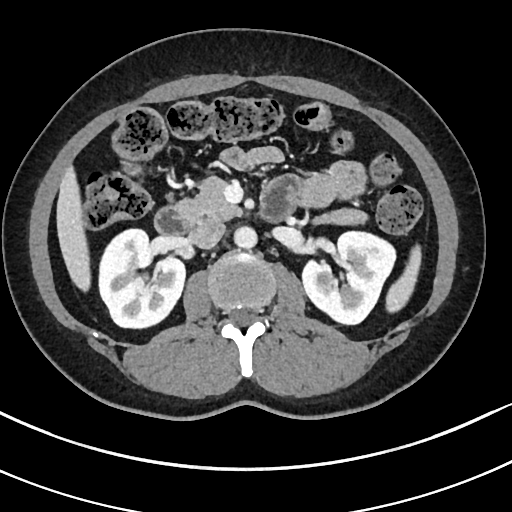
Computed tomography, abdomen · axial view · 15 organs annotated in this scan (counted over the whole 3D scan, not this slice; an organ is boxed only where this slice passes through it)
Each box given as x1,y1,x2,y2. Labeled organs on this slice: spleen at x1=386, y1=245, x2=421, y2=312, right kidney at x1=99, y1=228, x2=185, y2=327, left kidney at x1=302, y1=231, x2=396, y2=324, liver at x1=56, y1=167, x2=90, y2=291, aorta at x1=234, y1=226, x2=257, y2=249, inferior vena cava at x1=189, y1=223, x2=225, y2=248, pancreas at x1=176, y1=177, x2=367, y2=225, duodenum at x1=154, y1=190, x2=292, y2=234.